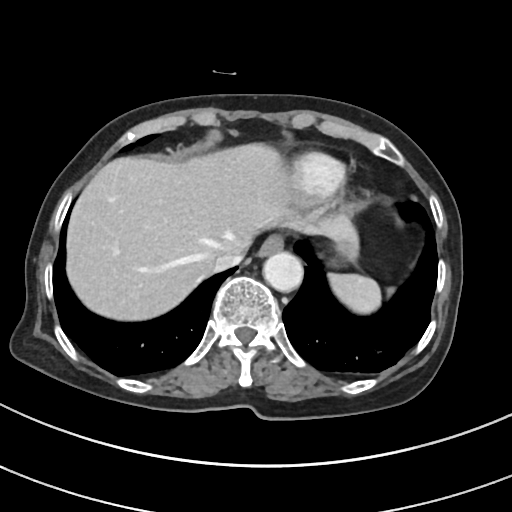

Abdominal CT; Axial slice 178/284
Boxes: x1:y1:x2:y2 in pixels.
spleen: 327:274:382:313
esophagus: 259:237:283:257
liver: 67:144:359:319
stomach: 335:242:358:261
aorta: 264:252:303:292
inferior vena cava: 212:250:247:270